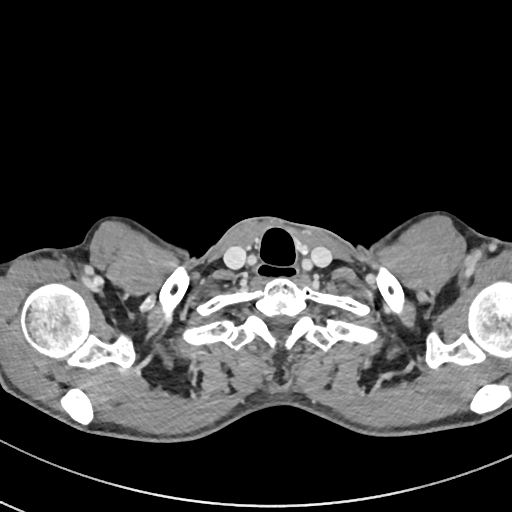 Chest-level slice from an abdominal CT that extends up into the chest — axial view — soft-tissue window, W/L 400/40 — 512x512 px
At this level of the chest no structure but the esophagus and the aorta has a label in this dataset, and those two are boxed only where they are labeled.
{"organs":{"esophagus":[253,261,298,280]}}